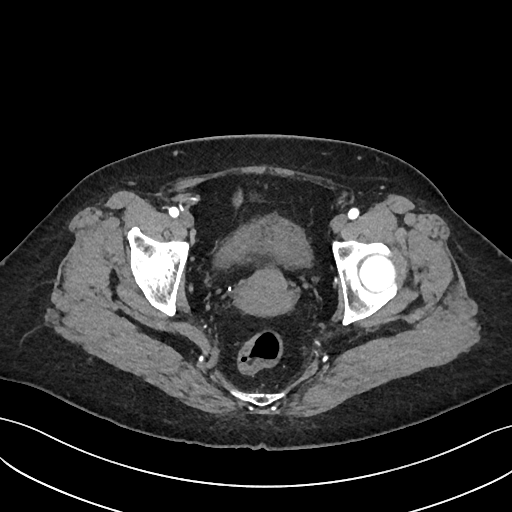 Computed tomography, abdomen. axial plane, index 29. W/L 400/40 HU
Boxes: x1:y1:x2:y2 in pixels. Labeled organs on this slice: bladder at 215:216:310:266, prostate/uterus at 234:270:293:315.